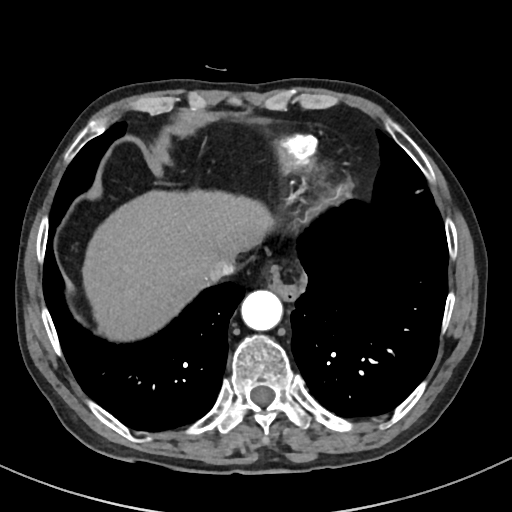
Abdominal CT. axial plane, index 204
One row per box, in pixels: columns x1 and y1 give the top-left corner, x2 and y2 the bottom-right.
| organ | x1 | y1 | x2 | y2 |
|---|---|---|---|---|
| esophagus | 265 | 266 | 305 | 301 |
| liver | 82 | 189 | 274 | 341 |
| aorta | 241 | 290 | 282 | 330 |
| inferior vena cava | 207 | 258 | 234 | 282 |